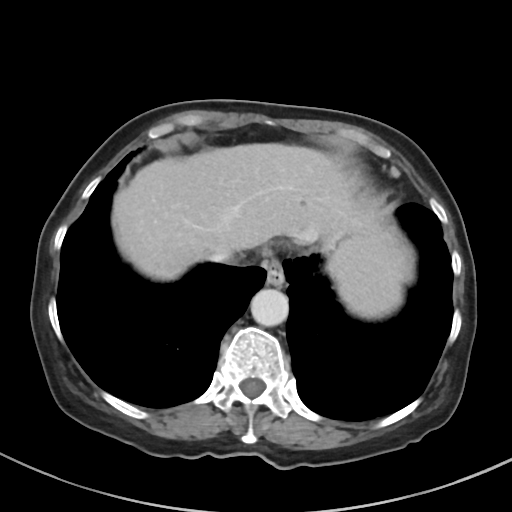 CT abdomen · Axial slice 69/78 · 15 organs annotated in this scan (a whole-scan count: organs this slice does not pass through have no box)
Boxes are (x1, y1, x2, y2) in pixels. 5 labeled organs on this slice — inferior vena cava at (208, 247, 232, 262); aorta at (250, 288, 288, 326); esophagus at (263, 257, 284, 286); liver at (112, 143, 412, 282); spleen at (327, 242, 403, 317).